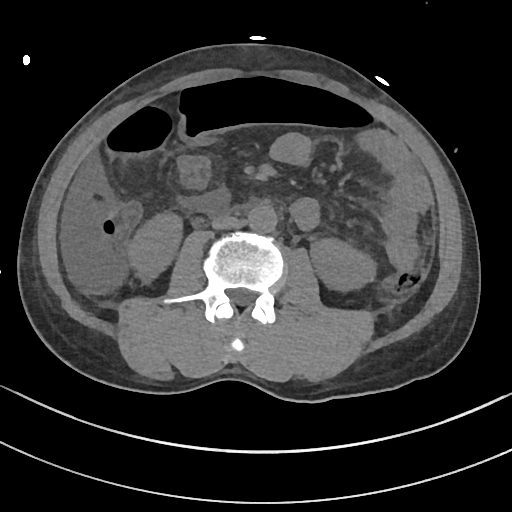

CT, abdomen/pelvis — Axial slice 137/252 — abdomen soft-tissue window — 512x512 px
Box edges are left/top/right/bottom in pixels.
Organ bounding boxes:
- right kidney: left=129, top=214, right=179, bottom=277
- left kidney: left=311, top=240, right=375, bottom=291
- aorta: left=247, top=204, right=276, bottom=232
- inferior vena cava: left=211, top=214, right=239, bottom=229